CT abdomen — axial view — 512x512 px — scan has 15 labeled organs (a whole-scan count: organs this slice does not pass through have no box)
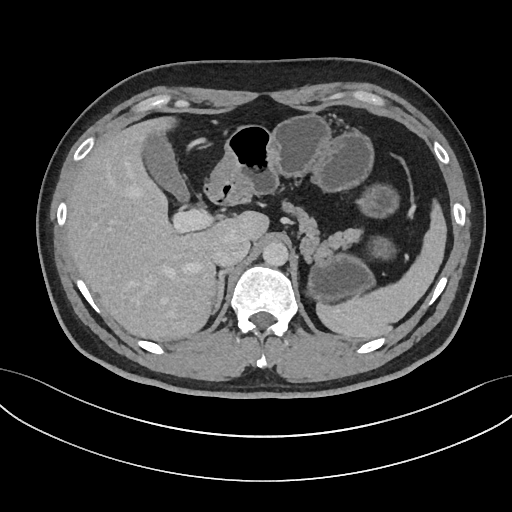
Bounding boxes in pixels, one row per box: x1, y1 is the top-left corner and x2, y2 the bottom-right.
| organ | x1 | y1 | x2 | y2 |
|---|---|---|---|---|
| spleen | 317 | 200 | 446 | 339 |
| gall bladder | 142 | 131 | 189 | 201 |
| liver | 66 | 116 | 268 | 340 |
| stomach | 206 | 114 | 399 | 300 |
| aorta | 262 | 241 | 288 | 266 |
| inferior vena cava | 211 | 232 | 249 | 266 |
| pancreas | 281 | 200 | 361 | 260 |
| right adrenal gland | 211 | 267 | 231 | 314 |
| duodenum | 204 | 186 | 224 | 203 |